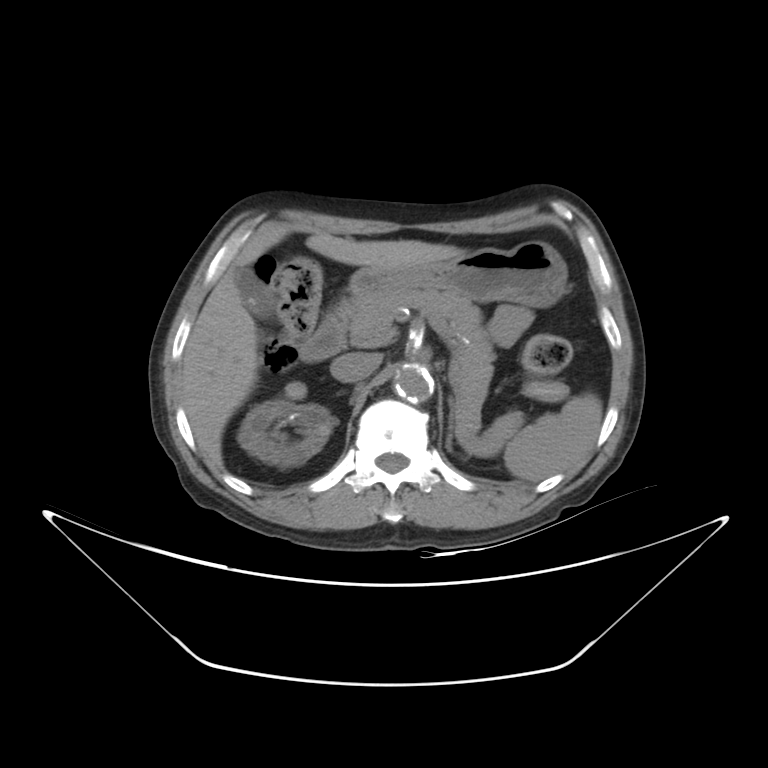
Computed tomography, abdomen; axial view; abdomen soft-tissue window; 768x768 px; 59-year-old male patient; acquired on Brilliance16
Bounding boxes as [x1, y1, x2, y2] in pixel coordinates.
Organ bounding boxes:
- stomach: [345, 241, 568, 306]
- duodenum: [298, 296, 351, 360]
- inferior vena cava: [329, 352, 381, 382]
- pancreas: [349, 291, 523, 451]
- gall bladder: [234, 266, 273, 318]
- left adrenal gland: [446, 398, 453, 451]
- right kidney: [237, 385, 333, 467]
- liver: [183, 225, 465, 468]
- aorta: [394, 365, 433, 402]
- spleen: [504, 394, 602, 481]